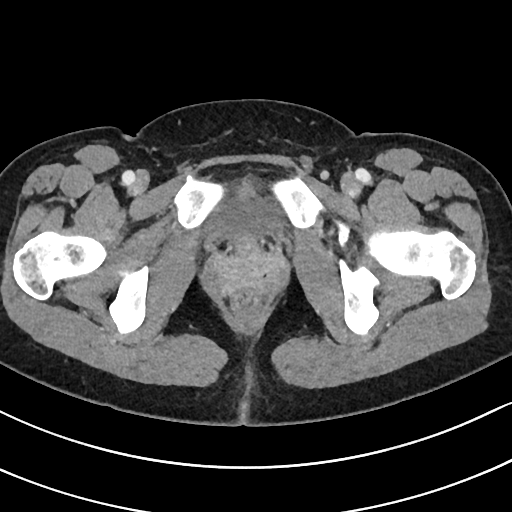
Computed tomography, abdomen; axial view; abdomen soft-tissue window; 512x512 px; SOMATOM Force scanner
Box edges are left/top/right/bottom in pixels.
Organ bounding boxes:
- bladder: left=207, top=180, right=283, bottom=238